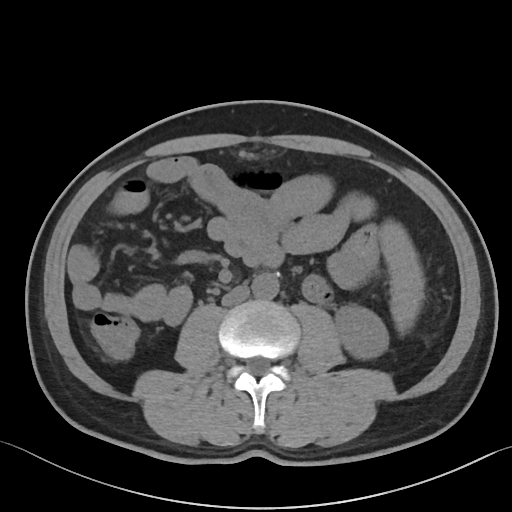
CT, abdomen/pelvis. axial view. scan has 15 labeled organs (that count is for the whole scan; organs this slice misses have no box)
Bounding boxes as [x1, y1, x2, y2] in pixel coordinates. The annotated organs in this slice are: spleen at [379, 220, 424, 333], left kidney at [335, 305, 388, 358], aorta at [252, 274, 278, 299], inferior vena cava at [221, 286, 249, 306].